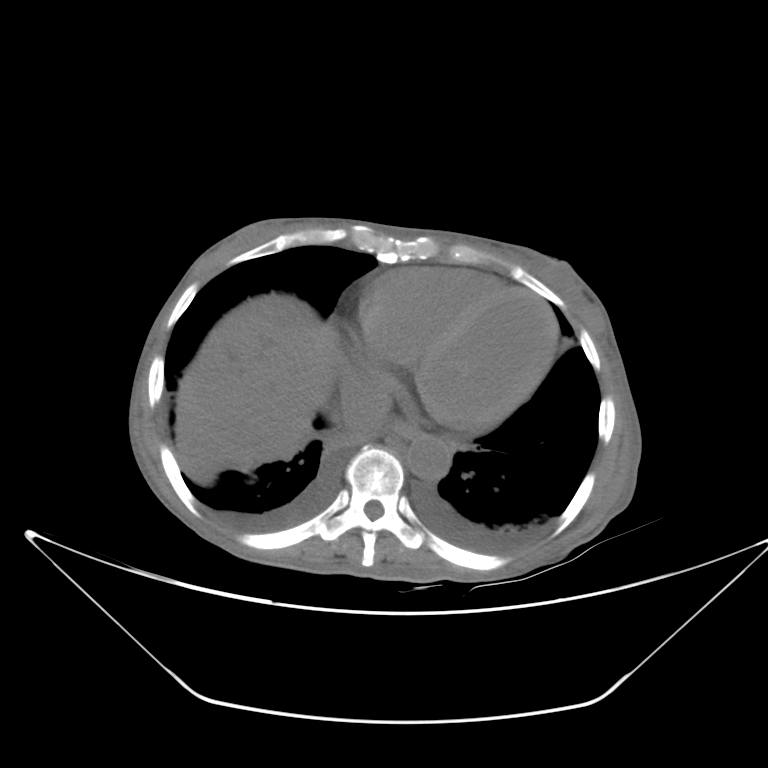
Abdominal CT; axial plane, index 96; abdomen soft-tissue window; 768x768 px; 56-year-old female patient
Each box given as x1,y1,x2,y2. 4 labeled organs on this slice — aorta at x1=406, y1=433, x2=451, y2=480; inferior vena cava at x1=341, y1=380, x2=391, y2=438; esophagus at x1=387, y1=421, x2=419, y2=439; liver at x1=175, y1=292, x2=344, y2=470.